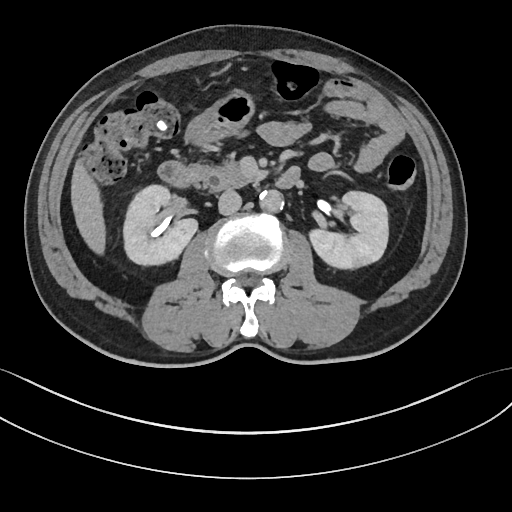 CT abdomen; axial plane, index 140; SOMATOM Force scanner
Boxes: x1 y1 x2 y2 (pixel coords, space-separated).
Organ bounding boxes:
- right kidney: 123 185 197 265
- aorta: 259 190 283 212
- stomach: 185 89 254 145
- left kidney: 309 191 388 268
- liver: 71 160 105 254
- inferior vena cava: 218 189 241 214
- duodenum: 158 161 300 189
- pancreas: 206 160 261 189